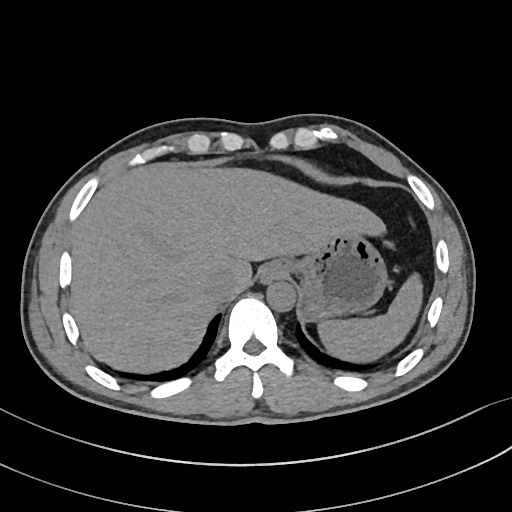

Computed tomography, abdomen — axial view — soft-tissue window
Organ boxes in pixel coordinates; each row gives the top-left (x1, y1) and bottom-right (x2, y2) corners.
| organ | x1 | y1 | x2 | y2 |
|---|---|---|---|---|
| spleen | 317 | 275 | 420 | 359 |
| stomach | 298 | 231 | 387 | 320 |
| esophagus | 258 | 263 | 286 | 285 |
| aorta | 267 | 282 | 296 | 312 |
| inferior vena cava | 204 | 271 | 235 | 302 |
| liver | 71 | 164 | 386 | 370 |